CT, abdomen/pelvis; Axial slice 72/100; W/L 400/40 HU; 512x512 px
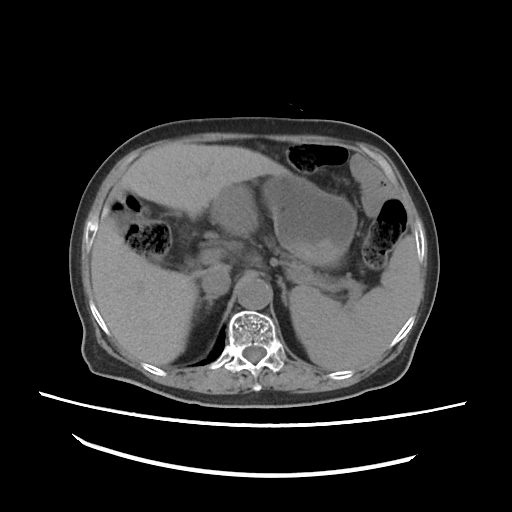

Bounding boxes as [x1, y1, x2, y2] in pixel coordinates.
spleen: [290, 236, 421, 370]
pancreas: [282, 253, 331, 288]
stomach: [260, 175, 357, 285]
inferior vena cava: [201, 272, 231, 295]
right adrenal gland: [205, 295, 219, 308]
aorta: [236, 274, 271, 309]
liver: [92, 144, 292, 364]
left adrenal gland: [278, 278, 286, 302]